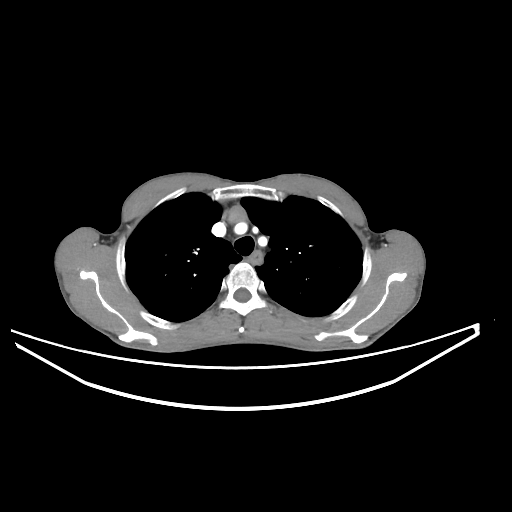

Abdominal CT reaching into the chest; this slice is in the chest · axial plane, index 117 · W/L 400/40 HU
At this level of the chest no structure but the esophagus and the aorta has a label in this dataset, and those two are boxed only where they are labeled.
Boxes are (x1, y1, x2, y2) in pixels.
Organ bounding boxes:
- esophagus: (248, 249, 263, 265)